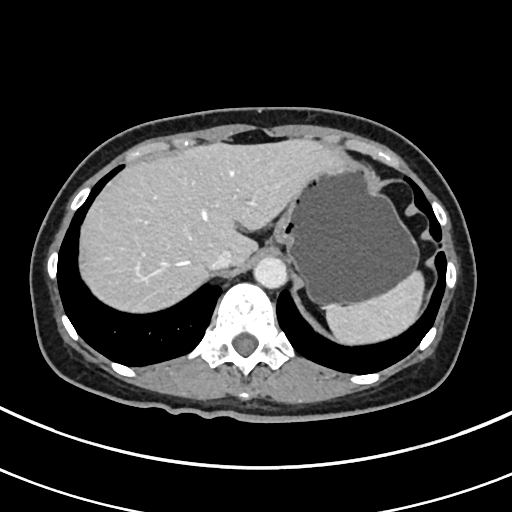 Abdominal CT; axial plane, index 167; 512x512 px; acquired on SOMATOM Force; scan has 15 labeled organs (counted over the whole 3D scan, not this slice; an organ is boxed only where this slice passes through it)
Boxes: x1 y1 x2 y2 (pixel coords, space-separated). 5 labeled organs on this slice — spleen at 326 272 424 344; liver at 80 139 346 312; stomach at 271 166 418 304; aorta at 254 257 287 288; inferior vena cava at 208 250 233 269.